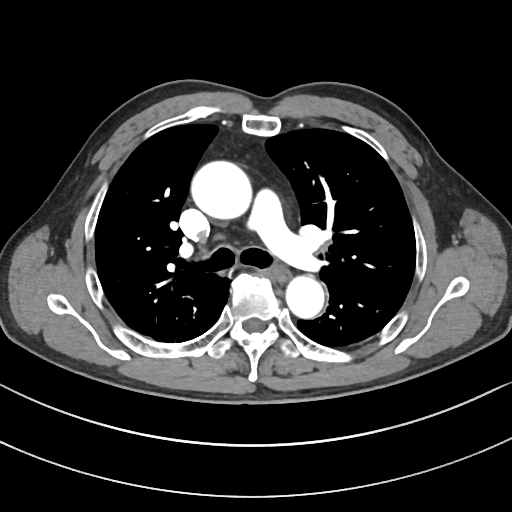 Chest-level slice from an abdominal CT that extends up into the chest; axial view; soft-tissue window, W/L 400/40; acquired on SOMATOM Force; scan has 15 labeled organs (that count is for the whole scan; organs this slice misses have no box)
On a slice this high in the chest, this dataset labels only the esophagus and the aorta, and each is boxed only where it is labeled; the heart, lungs and other chest structures are not labeled.
Bounding boxes as [x1, y1, x2, y2] in pixel coordinates.
esophagus: [274, 269, 287, 280]
aorta: [192, 162, 253, 219]
aorta: [285, 274, 324, 317]